Abdominal CT. axial plane, index 15. 512x512 px. 61-year-old female patient. Aquilion ONE scanner. scan has 14 labeled organs (counted over the whole 3D scan, not this slice; an organ is boxed only where this slice passes through it)
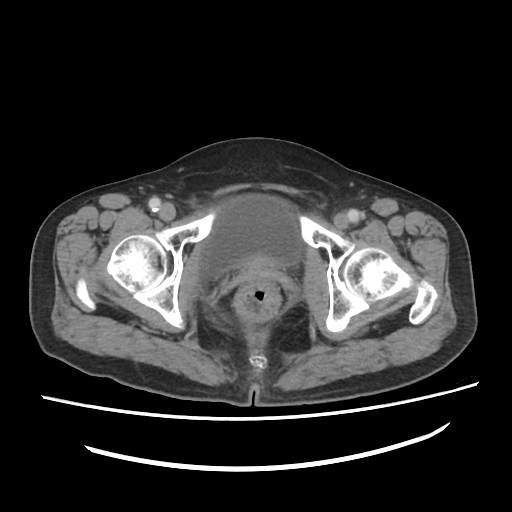 {"organs":{"bladder":[203,195,298,279]}}